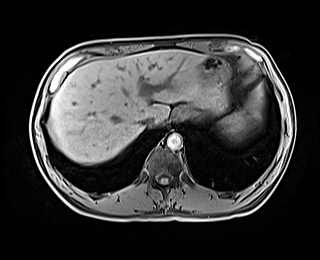

Abdominal MR · axial view · 1st–99th percentile window
Bounding boxes as [x1, y1, x2, y2] in pixel coordinates.
Organ bounding boxes:
- aorta: [167, 133, 182, 149]
- spleen: [222, 114, 249, 139]
- liver: [48, 49, 206, 164]
- stomach: [174, 56, 229, 119]
- inferior vena cava: [139, 116, 155, 127]